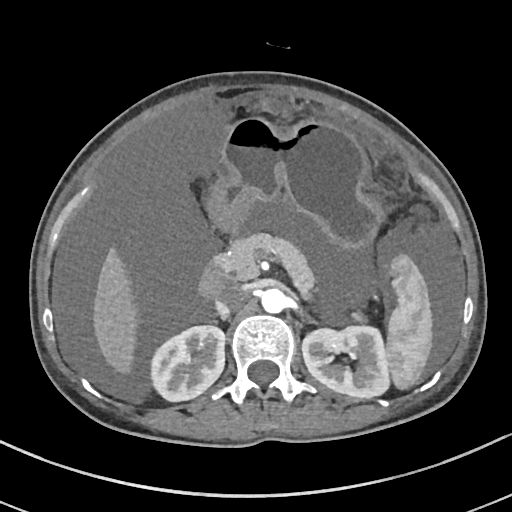
CT abdomen. axial plane, index 155. soft-tissue window (W 400 / L 40). SOMATOM Force scanner
<organs><organ name="spleen" x1="385" y1="254" x2="432" y2="389"/><organ name="right kidney" x1="151" y1="326" x2="224" y2="401"/><organ name="left kidney" x1="302" y1="326" x2="389" y2="398"/><organ name="liver" x1="93" y1="248" x2="138" y2="374"/><organ name="stomach" x1="207" y1="117" x2="384" y2="251"/><organ name="aorta" x1="261" y1="288" x2="288" y2="313"/><organ name="inferior vena cava" x1="215" y1="286" x2="246" y2="315"/><organ name="pancreas" x1="215" y1="233" x2="363" y2="321"/><organ name="duodenum" x1="199" y1="259" x2="228" y2="298"/></organs>